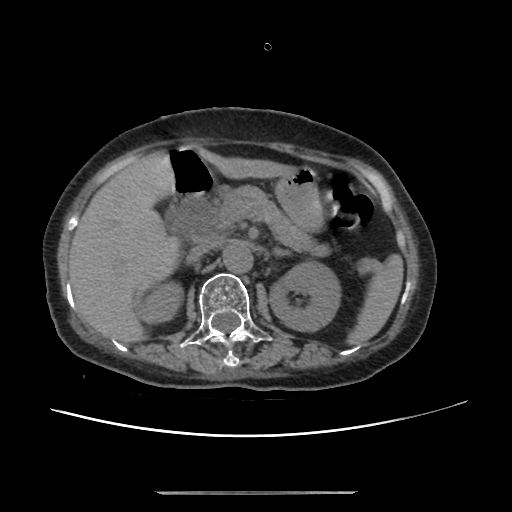 CT, abdomen/pelvis — axial view — abdomen soft-tissue window — 14 organs annotated in this scan (counted over the whole 3D scan, not this slice; an organ is boxed only where this slice passes through it)
<organs><organ name="liver" x1="68" y1="150" x2="292" y2="342"/><organ name="right kidney" x1="136" y1="284" x2="181" y2="324"/><organ name="inferior vena cava" x1="186" y1="242" x2="214" y2="262"/><organ name="aorta" x1="222" y1="241" x2="252" y2="273"/><organ name="spleen" x1="349" y1="254" x2="403" y2="343"/><organ name="pancreas" x1="209" y1="185" x2="328" y2="255"/><organ name="duodenum" x1="166" y1="148" x2="215" y2="237"/><organ name="left kidney" x1="270" y1="261" x2="341" y2="331"/><organ name="stomach" x1="274" y1="167" x2="322" y2="229"/></organs>